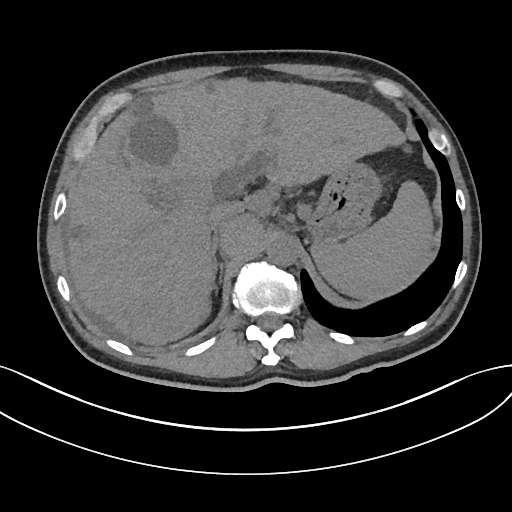
Abdominal CT · axial view · abdomen soft-tissue window · 512x512 px
One row per box, in pixels: columns x1 and y1 give the top-left corner, x2 and y2 the bottom-right.
| organ | x1 | y1 | x2 | y2 |
|---|---|---|---|---|
| spleen | 312 | 182 | 432 | 298 |
| liver | 64 | 78 | 404 | 345 |
| stomach | 308 | 164 | 378 | 241 |
| aorta | 267 | 235 | 299 | 266 |
| inferior vena cava | 209 | 205 | 237 | 232 |
| right adrenal gland | 212 | 241 | 218 | 272 |